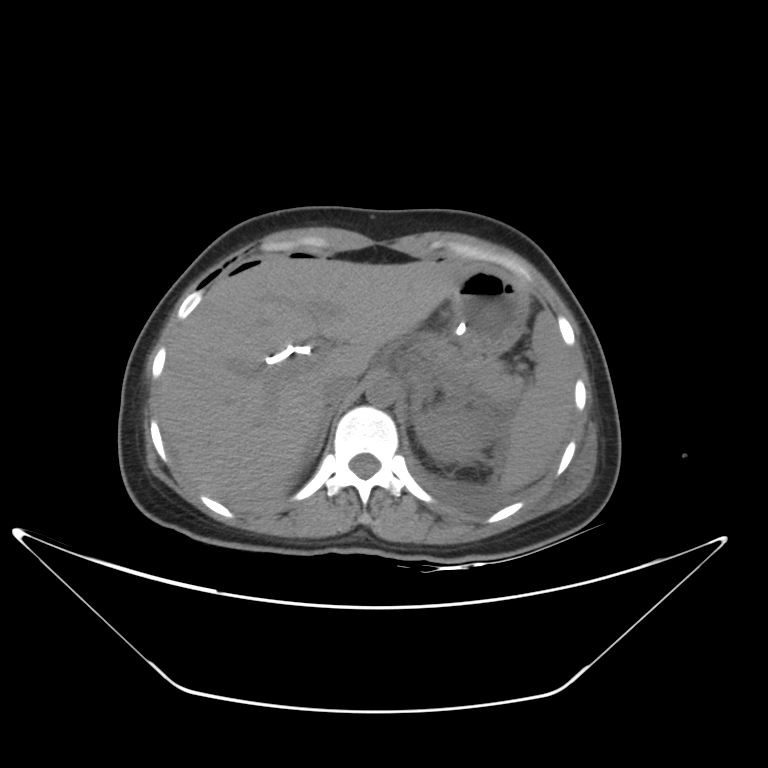

Computed tomography, abdomen; axial plane, index 73; abdomen soft-tissue window; 768x768 px
One row per box, in pixels: columns x1 and y1 give the top-left corner, x2 and y2 the bottom-right.
| organ | x1 | y1 | x2 | y2 |
|---|---|---|---|---|
| left kidney | 414 | 403 | 482 | 463 |
| stomach | 450 | 269 | 528 | 358 |
| aorta | 366 | 379 | 396 | 406 |
| liver | 157 | 255 | 479 | 514 |
| left adrenal gland | 411 | 382 | 432 | 421 |
| right adrenal gland | 307 | 401 | 339 | 461 |
| spleen | 501 | 311 | 573 | 490 |
| inferior vena cava | 320 | 375 | 357 | 405 |
| pancreas | 419 | 336 | 519 | 399 |